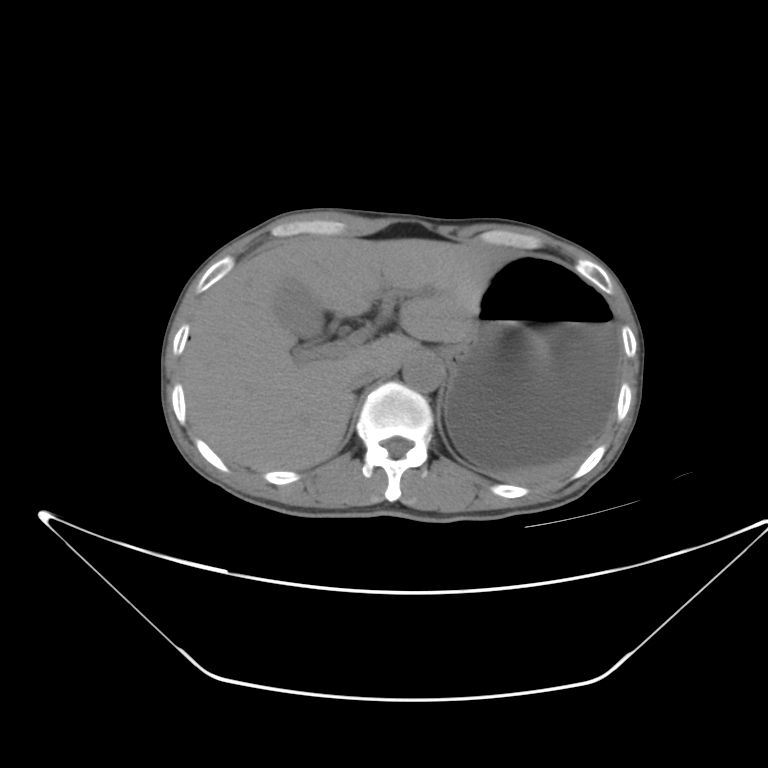 CT, abdomen/pelvis · Axial slice 73/96 · soft-tissue window · 768x768 px · 51-year-old male patient
Bounding boxes as [x1, y1, x2, y2] in pixel coordinates.
Organ bounding boxes:
- spleen: [492, 458, 581, 485]
- gall bladder: [274, 280, 322, 337]
- liver: [184, 237, 512, 471]
- stomach: [435, 255, 620, 472]
- aorta: [403, 346, 446, 392]
- inferior vena cava: [345, 364, 388, 389]